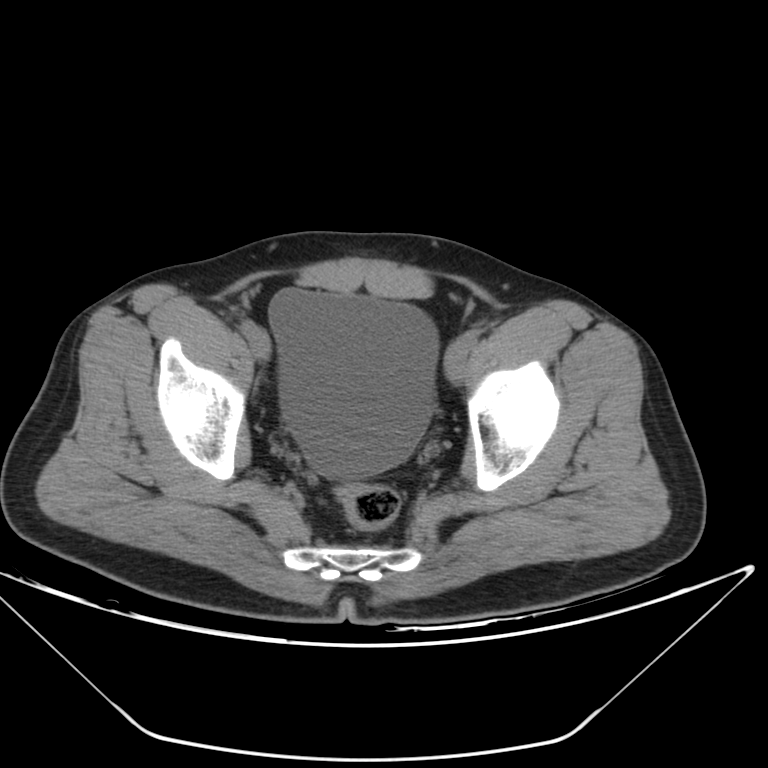
Computed tomography, abdomen; axial view; W/L 400/40 HU
<organs><organ name="bladder" x1="269" y1="288" x2="438" y2="479"/></organs>